CT abdomen · axial view · 512x512 px · acquired on SOMATOM Force
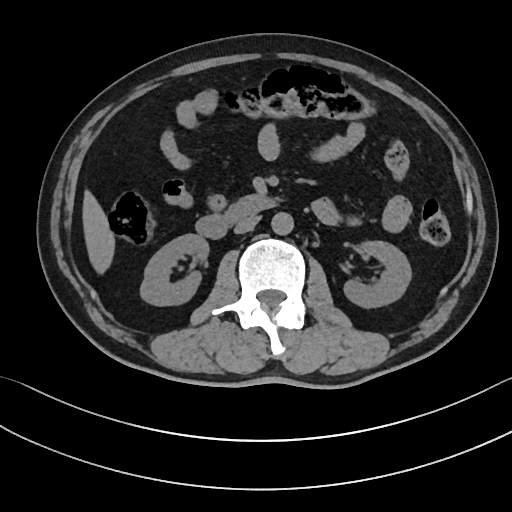
Coordinates as <box>x1,y1,x2,y2</box> in pixels.
Organ bounding boxes:
- right kidney: <box>140,234,208,305</box>
- left kidney: <box>344,241,411,307</box>
- liver: <box>82,190,115,274</box>
- aorta: <box>271,212,293,235</box>
- inferior vena cava: <box>234,215,260,233</box>
- duodenum: <box>195,195,276,238</box>